CT, abdomen/pelvis · axial view · soft-tissue window
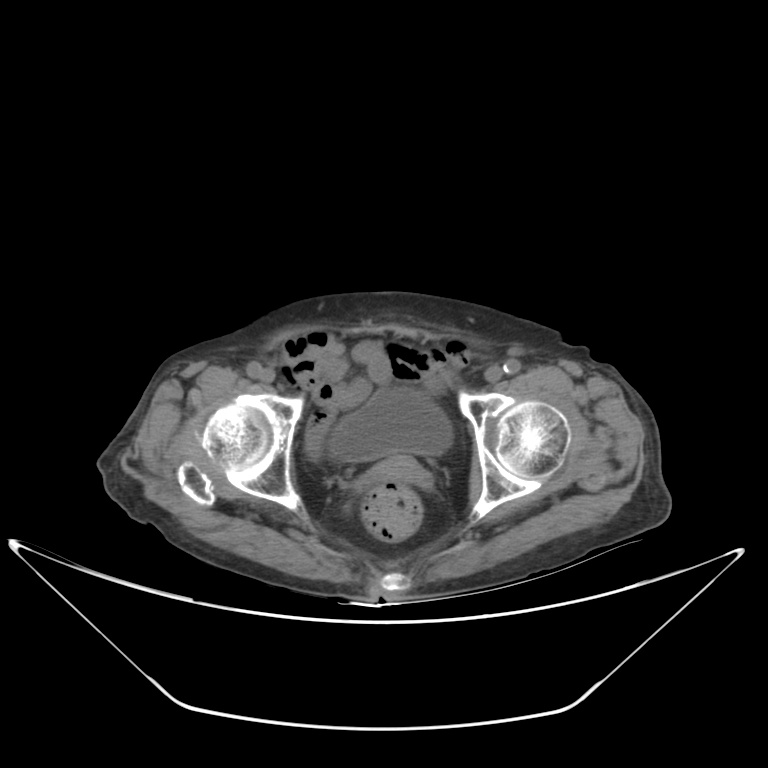

Boxes: x1 y1 x2 y2 (pixel coords, space-separated). The annotated organs in this slice are: bladder at 329 388 452 460, prostate/uterus at 374 456 423 482.